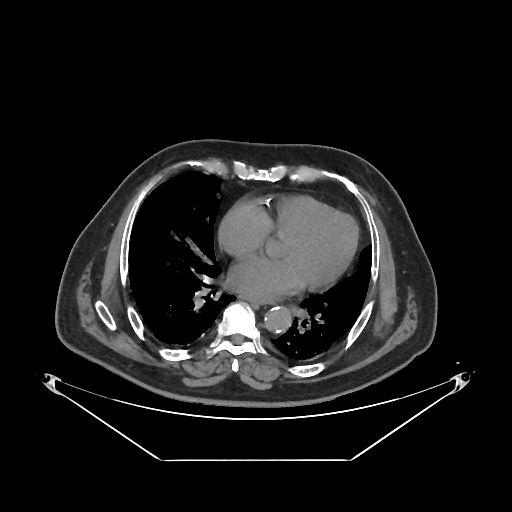

Lower-chest slice from an abdominal CT, just above the liver and spleen · axial plane, index 347 · scan has 15 labeled organs (that count is for the whole scan; organs this slice misses have no box)
No part of the heart or lungs is labeled in this dataset, so neither has a box here. Coordinates as <box>x1,y1,x2,y2</box> in pixels. Labeled organs on this slice: esophagus at <box>244,297,271,303</box>, aorta at <box>264,306,292,332</box>.